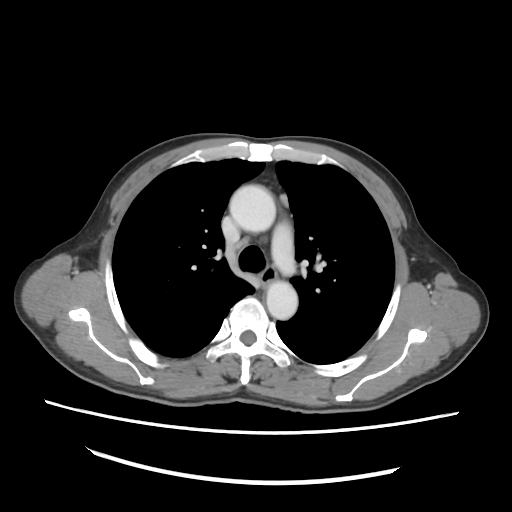
CT of the abdomen extending into the chest, slice through the chest; Axial slice 95/112
On a slice this high in the chest, this dataset labels only the esophagus and the aorta, and each is boxed only where it is labeled; the heart, lungs and other chest structures are not labeled.
{"organs":{"aorta":[[229,185,275,232],[266,281,297,319]],"esophagus":[260,267,275,283]}}